CT abdomen · Axial slice 34/175 · abdomen soft-tissue window
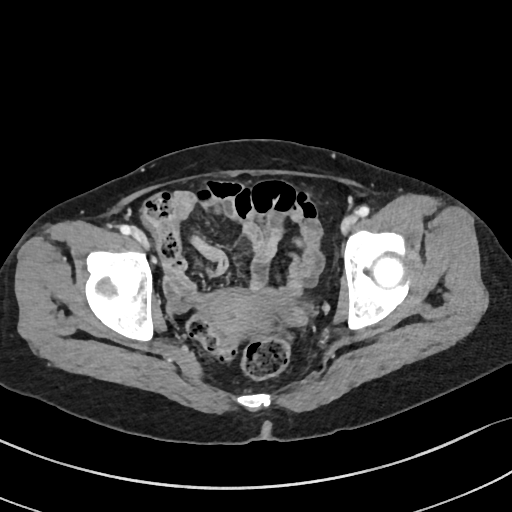 Coordinates as <box>x1,y1,x2,y2</box> in pixels.
Organ bounding boxes:
- prostate/uterus: <box>202,288,273,338</box>